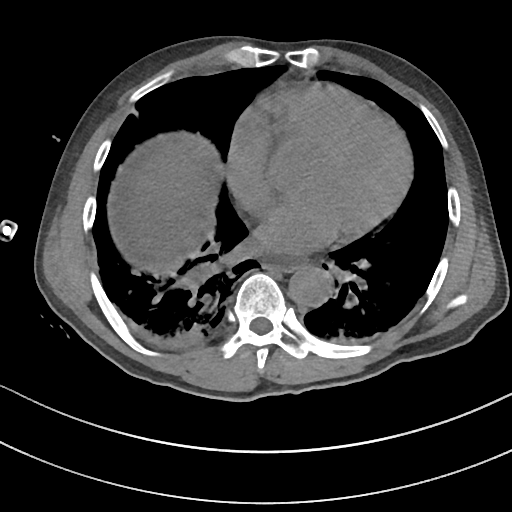
Abdominal CT · axial plane, index 237
<organs><organ name="esophagus" x1="263" y1="254" x2="307" y2="271"/><organ name="liver" x1="127" y1="143" x2="207" y2="259"/><organ name="aorta" x1="289" y1="266" x2="331" y2="306"/></organs>